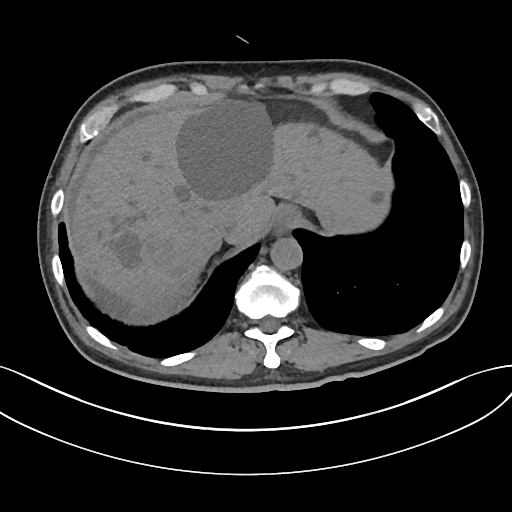

Abdominal CT — axial view
Box edges are left/top/right/bottom in pixels.
aorta: left=271, top=238, right=302, bottom=270
liver: left=72, top=102, right=389, bottom=307
esophagus: left=273, top=207, right=297, bottom=236
inferior vena cava: left=216, top=208, right=246, bottom=236